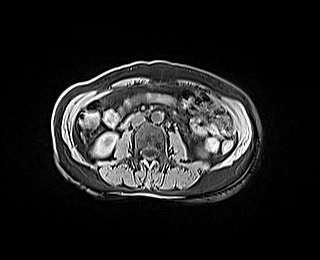
MRI, abdomen · axial view · 320x260 px · scan has 13 labeled organs (that count is for the whole scan; organs this slice misses have no box)
{"organs":{"right kidney":[93,133,117,156],"left kidney":[200,152,204,155],"aorta":[151,112,163,122],"inferior vena cava":[131,115,144,125],"duodenum":[119,112,135,130]}}